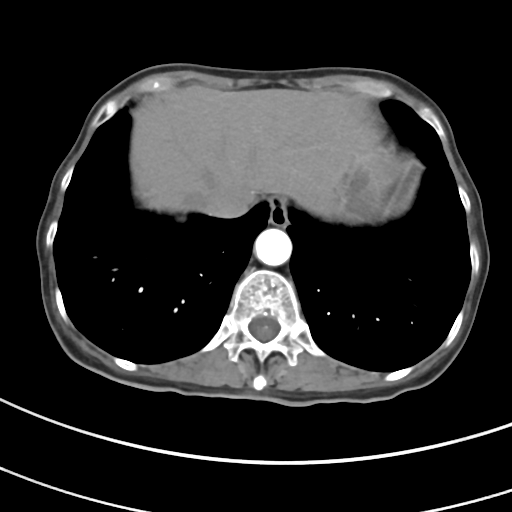 Computed tomography, abdomen. axial view. 512x512 px. SOMATOM Force scanner
Each box given as x1,y1,x2,y2.
Organ bounding boxes:
- esophagus: x1=269, y1=196, x2=288, y2=226
- liver: x1=130, y1=85, x2=378, y2=212
- stomach: x1=318, y1=144, x2=420, y2=224
- aorta: x1=254, y1=228, x2=292, y2=266
- inferior vena cava: x1=202, y1=187, x2=248, y2=217